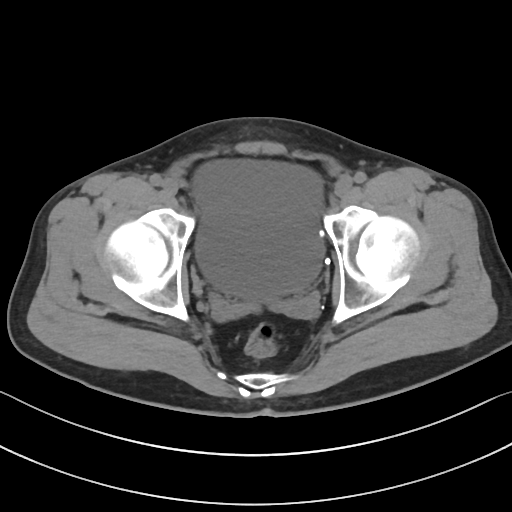

Computed tomography, abdomen · axial view · soft-tissue window (W 400 / L 40) · 512x512 px · 15 organs annotated in this scan (counted over the whole 3D scan, not this slice; an organ is boxed only where this slice passes through it)
Boxes are (x1, y1, x2, y2) in pixels.
bladder: (192, 160, 323, 299)